MRI, abdomen; Axial slice 47/72; 1st–99th percentile window; 576x468 px
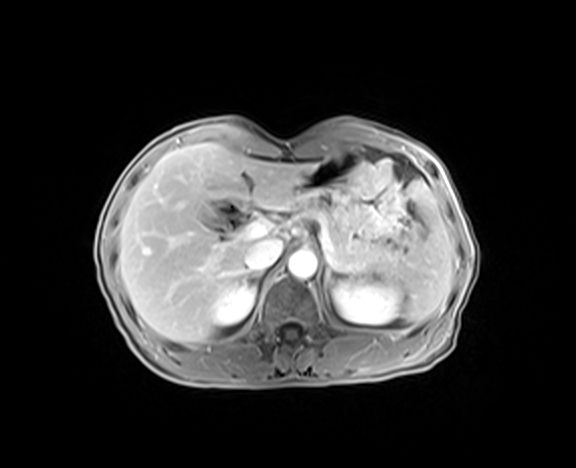 {"organs":{"stomach":[297,151,356,198],"pancreas":[283,194,402,280],"left kidney":[332,281,402,324],"spleen":[396,182,451,323],"aorta":[288,250,316,278],"right adrenal gland":[246,273,264,283],"right kidney":[208,280,255,325],"liver":[118,142,314,343],"inferior vena cava":[245,239,283,271],"left adrenal gland":[324,267,331,288]}}